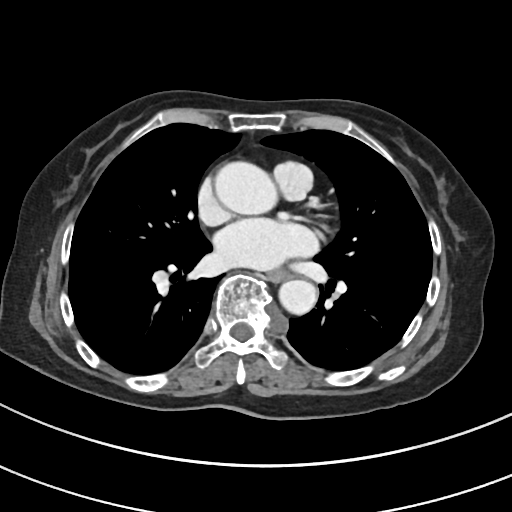 Abdominal CT; this slice is in the lower chest, just above the liver · axial view · W/L 400/40 HU · 15 organs annotated in this scan (a whole-scan count: organs this slice does not pass through have no box)
Of the structures in the chest, this dataset labels only the esophagus, the aorta and the inferior vena cava; the heart and lungs have no label.
<organs><organ name="esophagus" x1="267" y1="269" x2="289" y2="281"/><organ name="aorta" x1="219" y1="163" x2="277" y2="213"/><organ name="aorta" x1="279" y1="278" x2="316" y2="314"/></organs>